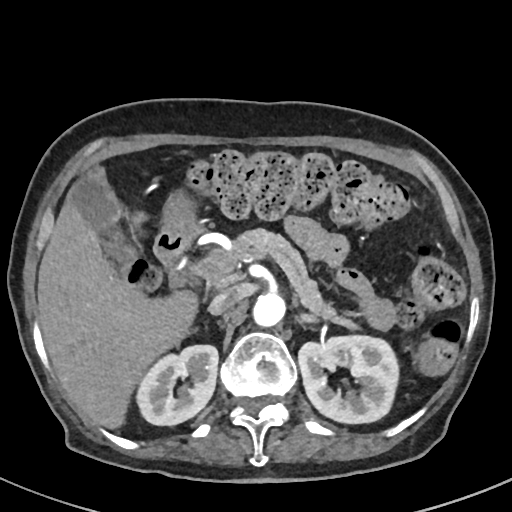 Abdominal CT. axial plane, index 147. soft-tissue window (W 400 / L 40). 15 organs annotated in this scan (that count is for the whole scan; organs this slice misses have no box)
Boxes are (x1, y1, x2, y2) in pixels. Labeled organs on this slice: right kidney at (139, 345, 218, 425), left kidney at (297, 336, 398, 423), gall bladder at (70, 179, 135, 263), liver at (37, 166, 199, 430), stomach at (159, 194, 200, 237), aorta at (252, 291, 284, 327), inferior vena cava at (208, 285, 244, 315), pancreas at (217, 229, 359, 328), left adrenal gland at (296, 312, 316, 324), duodenum at (155, 233, 193, 284).